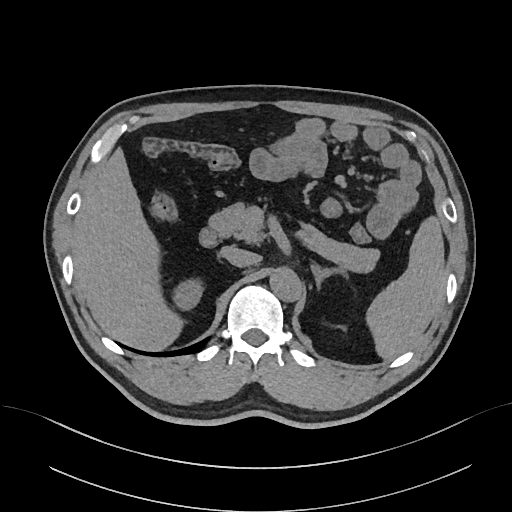

CT abdomen — axial plane, index 188 — scan has 15 labeled organs (counted over the whole 3D scan, not this slice; an organ is boxed only where this slice passes through it)
Each box given as x1,y1,x2,y2. 9 labeled organs on this slice — spleen at x1=366, y1=216, x2=444, y2=359; right kidney at x1=172, y1=278, x2=203, y2=309; liver at x1=71, y1=147, x2=183, y2=350; aorta at x1=269, y1=267, x2=301, y2=301; inferior vena cava at x1=220, y1=246, x2=257, y2=267; pancreas at x1=209, y1=202, x2=379, y2=272; right adrenal gland at x1=217, y1=255, x2=220, y2=261; left adrenal gland at x1=311, y1=263, x2=347, y2=289; duodenum at x1=199, y1=228, x2=220, y2=247.